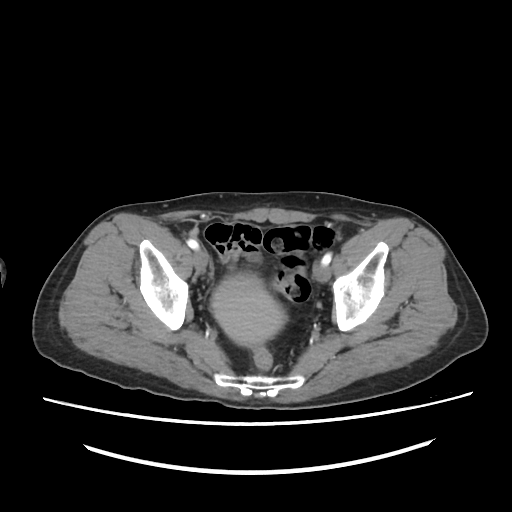 Abdominal CT — axial view — soft-tissue window — 512x512 px — 61-year-old male patient — Aquilion ONE scanner
{"organs":{"bladder":[210,272,289,346]}}